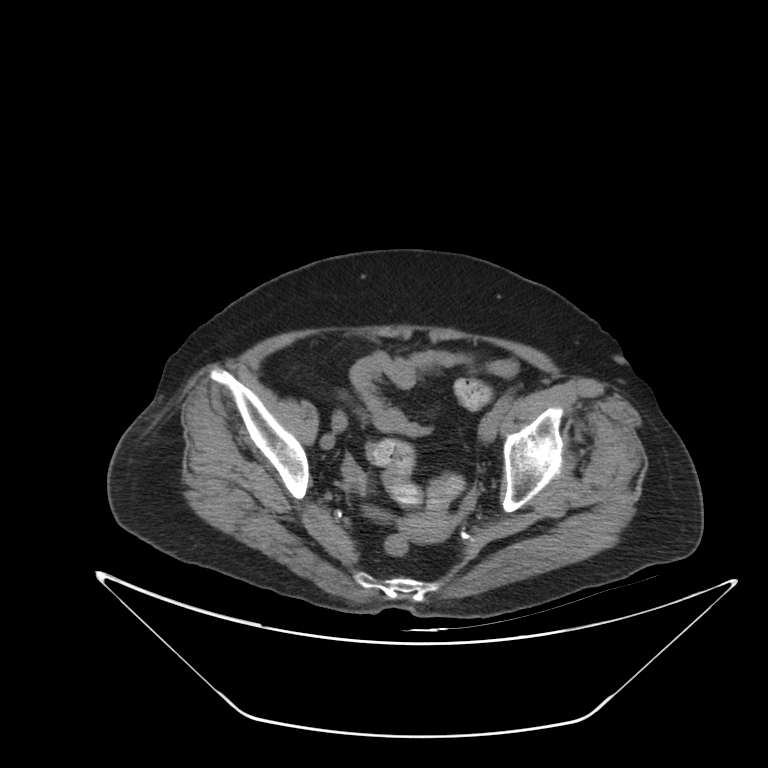 CT, abdomen/pelvis. axial view. W/L 400/40 HU
Box edges are left/top/right/bottom in pixels.
prostate/uterus: left=398, top=512, right=453, bottom=542